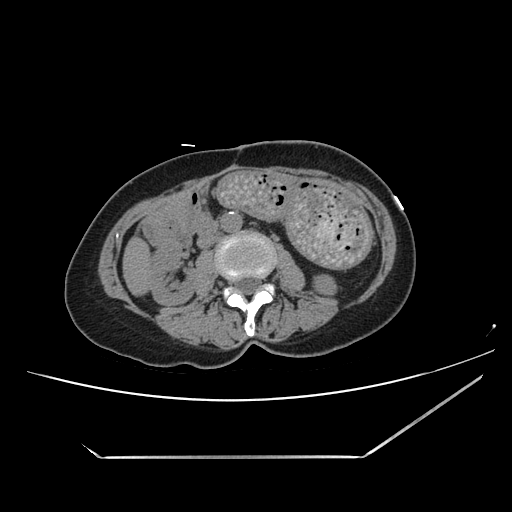
Computed tomography, abdomen. axial view. W/L 400/40 HU. SOMATOM Force scanner. 14 organs annotated in this scan (a whole-scan count: organs this slice does not pass through have no box)
Boxes: x1:y1:x2:y2 in pixels.
right kidney: 151:248:195:305
left kidney: 313:274:335:293
liver: 122:235:152:295
stomach: 160:171:373:268
aorta: 221:212:242:232
inferior vena cava: 197:233:218:248
pancreas: 159:198:198:222
duodenum: 142:215:216:250